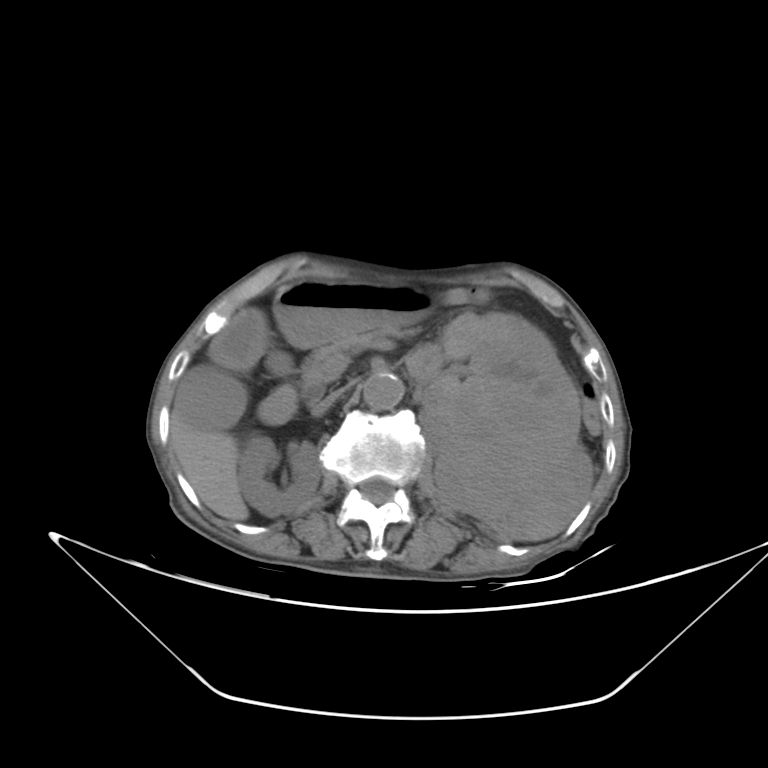

CT, abdomen/pelvis; axial plane, index 59; abdomen soft-tissue window; 768x768 px
<organs><organ name="right kidney" x1="237" y1="434" x2="320" y2="517"/><organ name="left kidney" x1="408" y1="310" x2="594" y2="538"/><organ name="gall bladder" x1="175" y1="366" x2="323" y2="433"/><organ name="liver" x1="173" y1="416" x2="250" y2="521"/><organ name="stomach" x1="272" y1="278" x2="431" y2="348"/><organ name="aorta" x1="364" y1="372" x2="401" y2="409"/><organ name="inferior vena cava" x1="313" y1="379" x2="357" y2="416"/><organ name="pancreas" x1="301" y1="327" x2="412" y2="383"/><organ name="duodenum" x1="209" y1="308" x2="296" y2="424"/></organs>